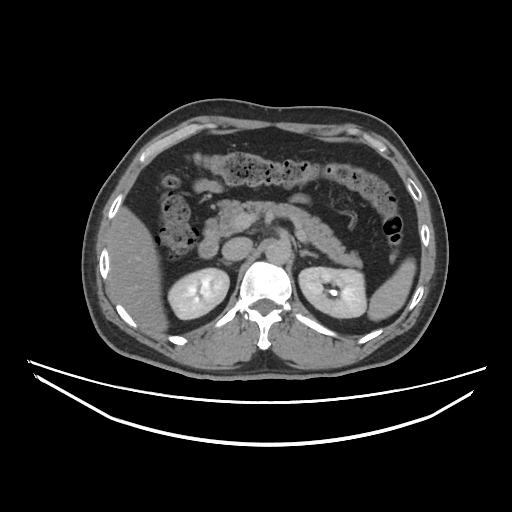 Computed tomography, abdomen — axial plane, index 86 — Aquilion ONE scanner
Box edges are left/top/right/bottom in pixels.
pancreas: left=217, top=200, right=361, bottom=267
aorta: left=265, top=240, right=290, bottom=262
spleen: left=367, top=258, right=415, bottom=320
right adrenal gland: left=220, top=260, right=230, bottom=264
left adrenal gland: left=299, top=249, right=316, bottom=257
inferior vena cava: left=223, top=237, right=251, bottom=259
right kidney: left=168, top=268, right=228, bottom=319
liver: left=108, top=206, right=167, bottom=334
left kidney: left=299, top=266, right=366, bottom=317
duodenum: left=199, top=219, right=218, bottom=258